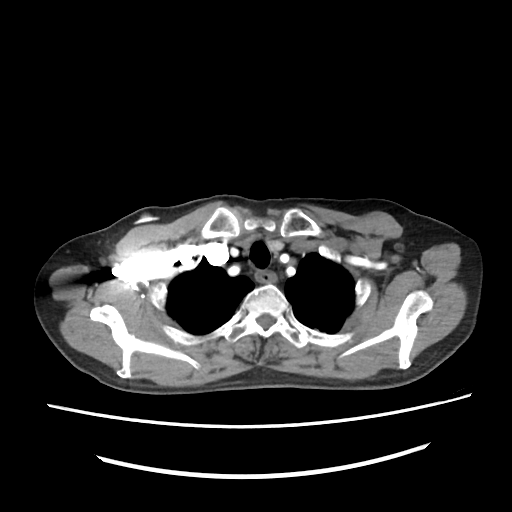
Abdominal CT reaching into the chest; this slice is in the chest. Axial slice 125/132. 512x512 px. 67-year-old male patient. Aquilion ONE scanner. 15 organs annotated in this scan (that count is for the whole scan; organs this slice misses have no box)
At this level of the chest this dataset labels only the esophagus and the aorta, and each is boxed only where it is labeled; the heart and lungs are never labeled.
<organs><organ name="esophagus" x1="256" y1="271" x2="276" y2="283"/></organs>